Chest-level CT slice, above the liver and spleen. axial plane, index 91. soft-tissue window, W/L 400/40
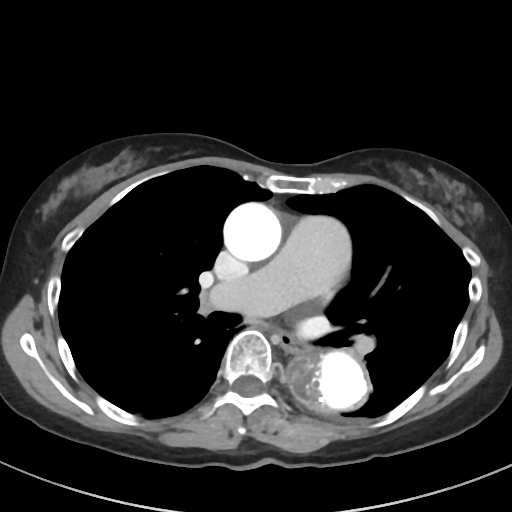 On a slice this high in the chest, this dataset labels only the esophagus and the aorta, and each is boxed only where it is labeled; the heart, lungs and other chest structures are not labeled.
{"organs":{"esophagus":[276,332,306,351],"aorta":[[287,352,367,414],[223,202,281,261]]}}